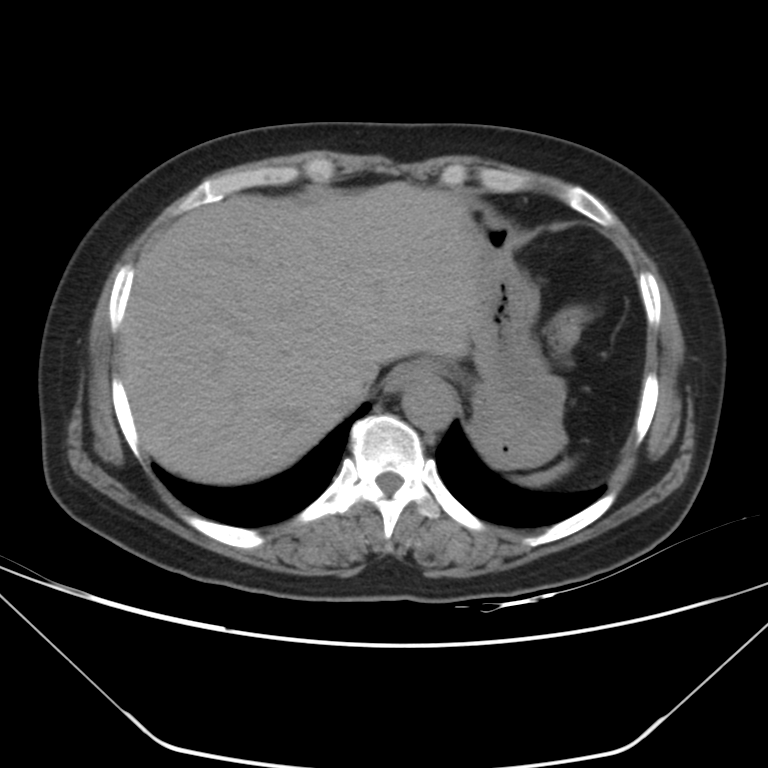 CT, abdomen/pelvis · axial plane, index 74 · abdomen soft-tissue window · 768x768 px · 15 organs annotated in this scan (that count is for the whole scan; organs this slice misses have no box)
Boxes: x1 y1 x2 y2 (pixel coords, space-separated).
Organ bounding boxes:
- stomach: 467 206 565 469
- spleen: 518 459 571 487
- inferior vena cava: 329 370 371 410
- liver: 120 181 479 484
- aorta: 401 378 456 430
- esophagus: 386 362 438 392